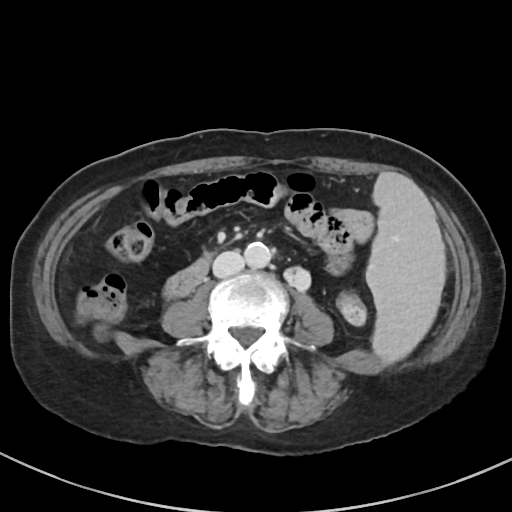
Abdominal CT · axial plane, index 41 · 15 organs annotated in this scan (counted over the whole 3D scan, not this slice; an organ is boxed only where this slice passes through it)
One row per box, in pixels: columns x1 and y1 give the top-left corner, x2 and y2 the bottom-right.
| organ | x1 | y1 | x2 | y2 |
|---|---|---|---|---|
| aorta | 244 | 242 | 271 | 268 |
| duodenum | 164 | 255 | 210 | 297 |
| inferior vena cava | 212 | 251 | 244 | 277 |
| spleen | 366 | 172 | 445 | 361 |